Computed tomography, abdomen; axial plane, index 75; soft-tissue window; 512x512 px; SOMATOM Force scanner
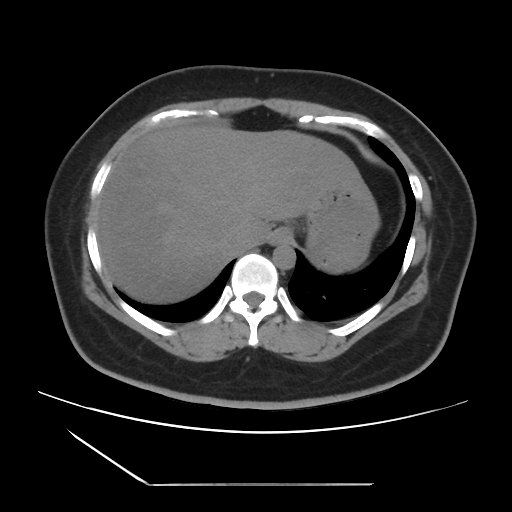 Boxes: x1:y1:x2:y2 in pixels.
stomach: 305:183:377:273
liver: 96:125:370:302
esophagus: 270:227:292:244
inferior vena cava: 227:234:245:251
aorta: 272:243:295:269